Abdominal CT reaching into the chest; this slice is in the chest · axial view · soft-tissue window (W 400 / L 40)
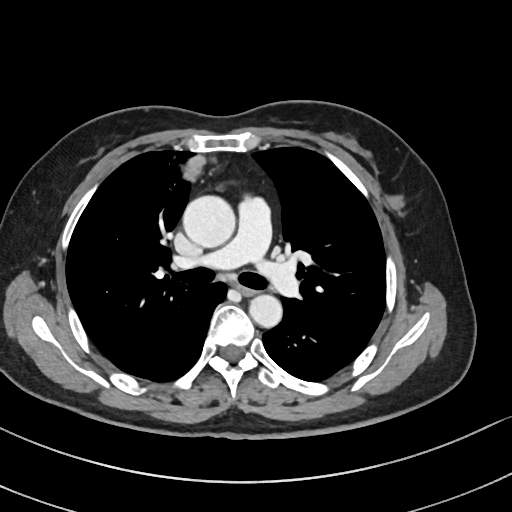
At this level of the chest this dataset labels only the esophagus and the aorta, and each is boxed only where it is labeled; the heart and lungs are never labeled.
Each box given as x1,y1,x2,y2.
Organ bounding boxes:
- esophagus: x1=237, y1=285, x2=255, y2=295
- aorta: x1=183, y1=195, x2=235, y2=248
- aorta: x1=249, y1=294, x2=282, y2=328